MRI, abdomen — Coronal slice 45/144
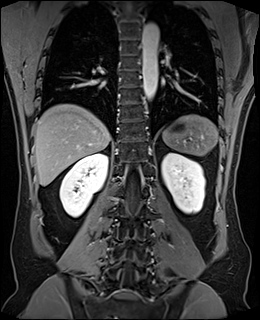 Boxes: x1 y1 x2 y2 (pixel coords, space-separated).
spleen: 162 115 218 155
right kidney: 59 153 107 217
left kidney: 161 152 205 214
liver: 34 104 110 185
aorta: 142 22 159 103